CT, abdomen/pelvis — Axial slice 151/192 — 15 organs annotated in this scan (counted over the whole 3D scan, not this slice; an organ is boxed only where this slice passes through it)
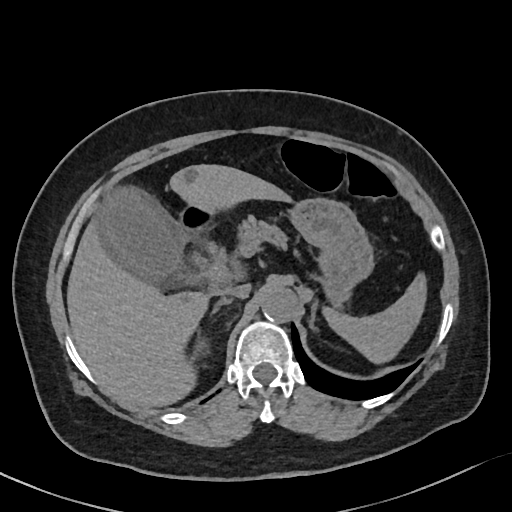
Boxes are (x1, y1, x2, y2) in pixels.
Organ bounding boxes:
- spleen: (323, 272, 426, 363)
- right kidney: (195, 339, 205, 352)
- gall bladder: (98, 187, 181, 284)
- liver: (67, 164, 291, 408)
- stomach: (289, 198, 373, 306)
- aorta: (261, 287, 297, 322)
- inferior vena cava: (220, 284, 251, 298)
- pancreas: (237, 217, 286, 254)
- right adrenal gland: (210, 297, 233, 316)
- left adrenal gland: (309, 301, 316, 329)
- duodenum: (177, 203, 212, 242)